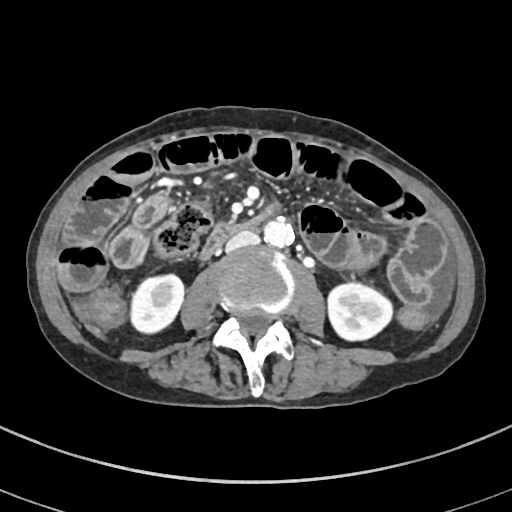 Computed tomography, abdomen; axial view
{"organs":{"right kidney":[131,274,183,333],"left kidney":[328,283,392,340],"aorta":[263,219,294,247],"inferior vena cava":[225,230,259,252],"duodenum":[202,204,277,258]}}